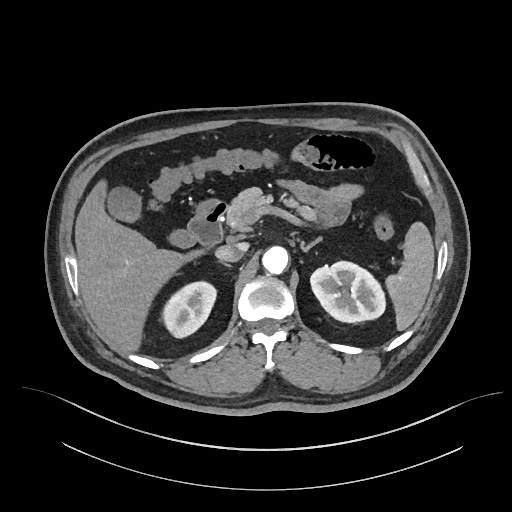

Abdominal CT · Axial slice 180/333 · soft-tissue window (W 400 / L 40)
{"organs":{"pancreas":[226,187,315,231],"stomach":[194,200,219,215],"aorta":[262,246,288,273],"spleen":[385,222,434,330],"inferior vena cava":[215,242,248,261],"liver":[74,179,204,351],"right kidney":[161,281,216,337],"duodenum":[187,201,227,247],"left adrenal gland":[301,238,320,251],"left kidney":[310,261,385,322],"right adrenal gland":[222,262,230,266],"gall bladder":[107,186,193,247]}}